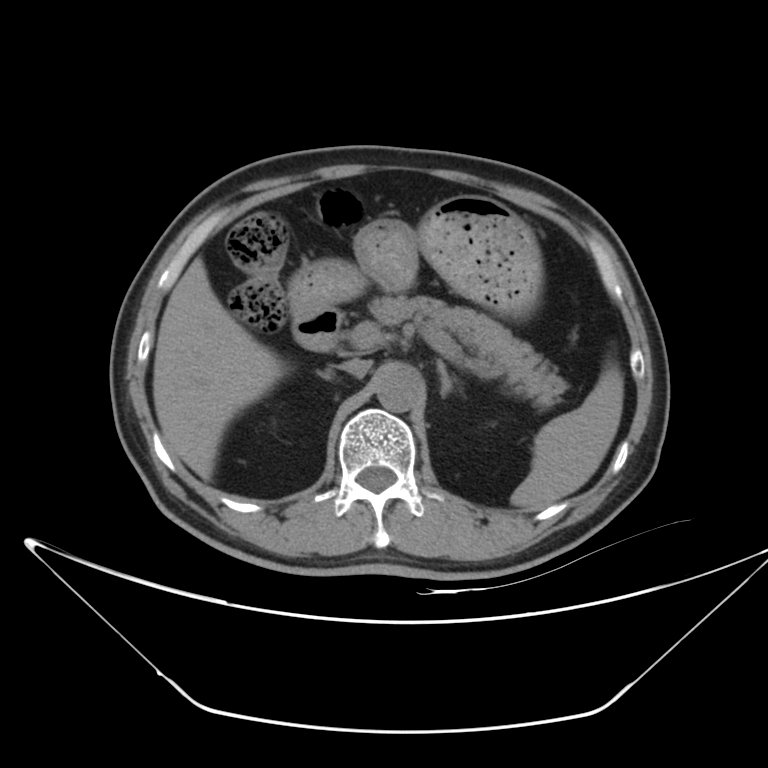
Computed tomography, abdomen; axial view; soft-tissue window
{"organs":{"spleen":[510,361,622,509],"liver":[153,256,285,481],"stomach":[288,196,542,316],"aorta":[377,367,423,411],"inferior vena cava":[340,358,370,377],"pancreas":[368,295,567,409],"right adrenal gland":[317,371,335,379],"left adrenal gland":[436,360,458,397],"duodenum":[292,305,342,352]}}